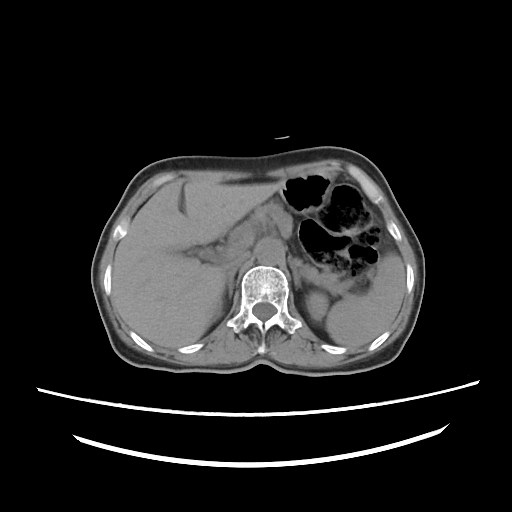 CT abdomen; axial view; abdomen soft-tissue window; 512x512 px
Coordinates as <box>x1,y1,x2,y2</box> in pixels.
spleen: <box>310,253,405,347</box>
left kidney: <box>308,300,319,318</box>
liver: <box>112,180,280,348</box>
stomach: <box>279,173,329,212</box>
aorta: <box>255,240,284,264</box>
inferior vena cava: <box>224,253,249,272</box>
pancreas: <box>250,202,349,292</box>
right adrenal gland: <box>222,268,237,297</box>
left adrenal gland: <box>292,261,299,286</box>